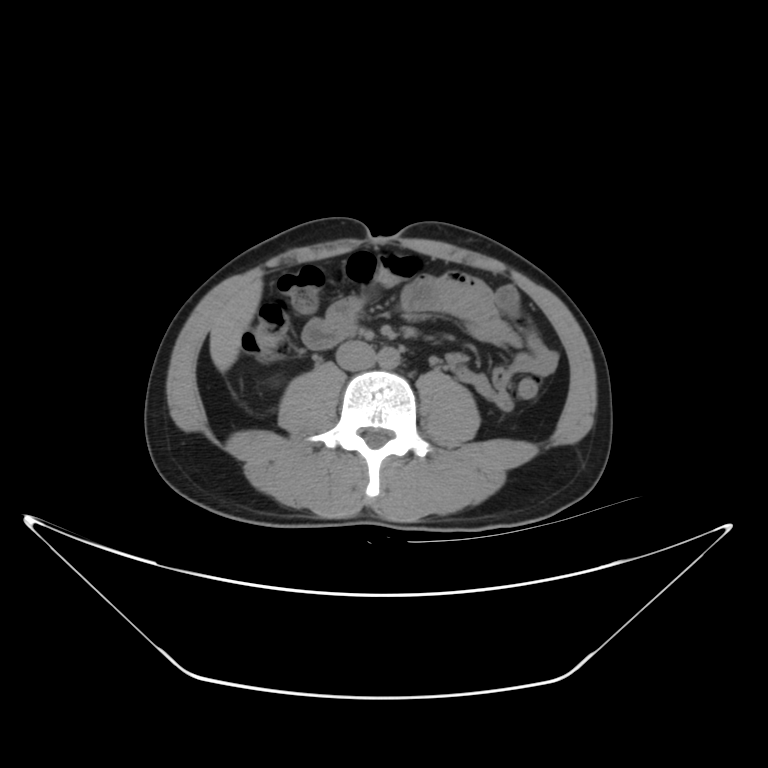

Computed tomography, abdomen · axial plane, index 49 · soft-tissue window · 31-year-old male patient
<organs><organ name="aorta" x1="378" y1="345" x2="399" y2="368"/><organ name="liver" x1="208" y1="280" x2="263" y2="363"/><organ name="inferior vena cava" x1="335" y1="339" x2="378" y2="372"/></organs>